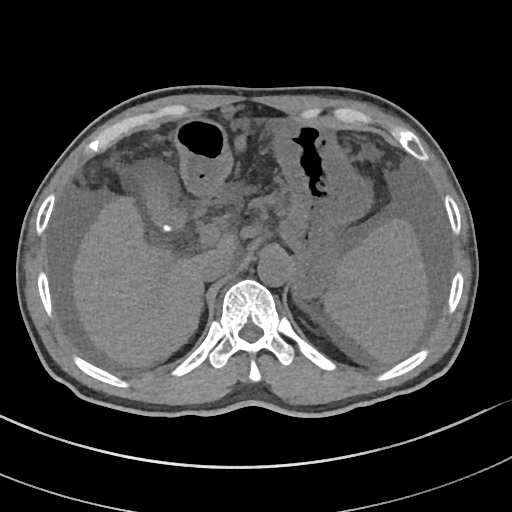
CT abdomen; axial view
<organs><organ name="spleen" x1="322" y1="220" x2="427" y2="362"/><organ name="gall bladder" x1="135" y1="164" x2="184" y2="228"/><organ name="liver" x1="73" y1="195" x2="237" y2="367"/><organ name="stomach" x1="175" y1="120" x2="370" y2="299"/><organ name="aorta" x1="258" y1="251" x2="291" y2="286"/><organ name="inferior vena cava" x1="201" y1="253" x2="233" y2="282"/><organ name="right adrenal gland" x1="202" y1="305" x2="203" y2="311"/></organs>